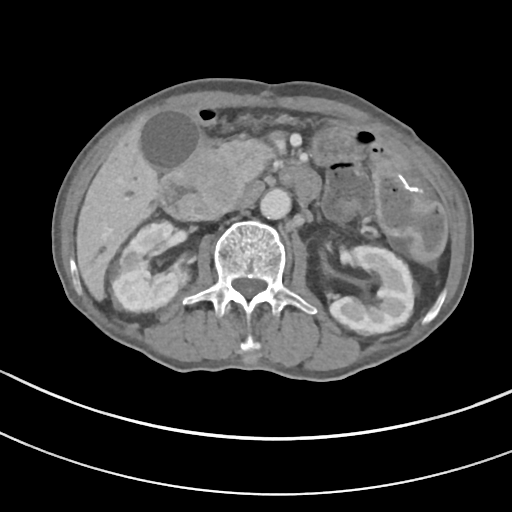 CT, abdomen/pelvis — axial view — W/L 400/40 HU
{"organs":{"right kidney":[110,221,188,311],"left kidney":[330,245,414,335],"gall bladder":[141,111,199,170],"liver":[76,116,158,300],"aorta":[260,188,291,219],"inferior vena cava":[237,184,260,205],"pancreas":[205,139,272,204],"duodenum":[160,145,321,219]}}